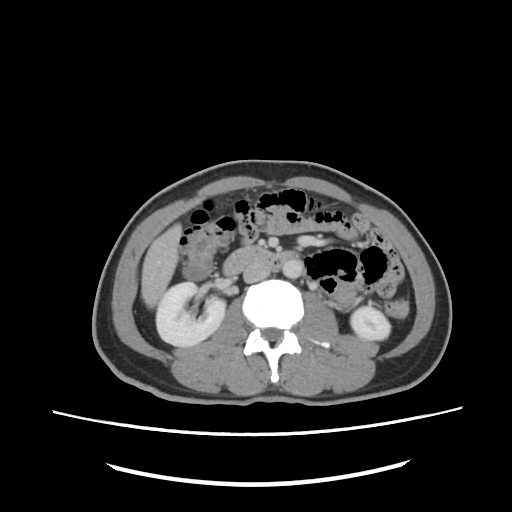

Computed tomography, abdomen; axial view; soft-tissue window; 512x512 px
{"organs":{"right kidney":[155,282,225,346],"left kidney":[350,306,390,340],"liver":[141,223,182,307],"aorta":[282,259,303,278],"inferior vena cava":[243,262,270,282],"duodenum":[223,247,300,275]}}